Computed tomography, abdomen; axial view; W/L 400/40 HU; acquired on SOMATOM Force; scan has 15 labeled organs (counted over the whole 3D scan, not this slice; an organ is boxed only where this slice passes through it)
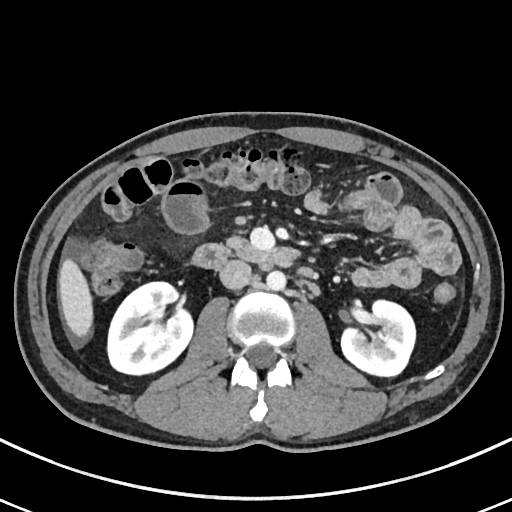

<organs><organ name="right kidney" x1="107" y1="281" x2="192" y2="375"/><organ name="left kidney" x1="341" y1="300" x2="415" y2="376"/><organ name="liver" x1="58" y1="258" x2="93" y2="336"/><organ name="aorta" x1="266" y1="270" x2="286" y2="290"/><organ name="inferior vena cava" x1="219" y1="260" x2="251" y2="289"/><organ name="pancreas" x1="227" y1="236" x2="246" y2="247"/><organ name="duodenum" x1="191" y1="243" x2="299" y2="268"/></organs>